Abdominal CT; axial view
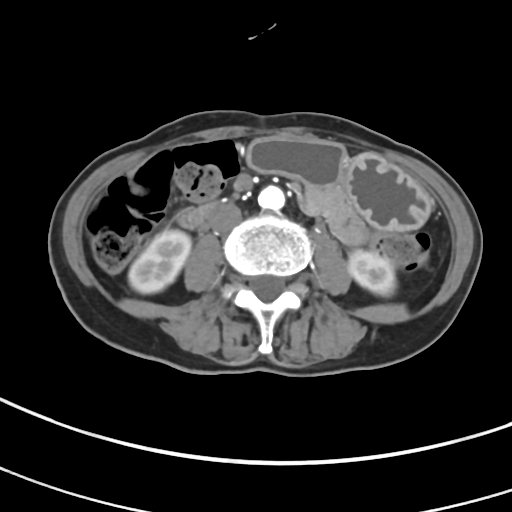
Bounding boxes as [x1, y1, x2, y2] in pixel coordinates.
inferior vena cava: [208, 203, 241, 232]
duodenum: [176, 204, 216, 227]
aorta: [258, 185, 284, 210]
stomach: [247, 136, 431, 231]
left kidney: [348, 250, 396, 296]
right kidney: [128, 230, 191, 293]